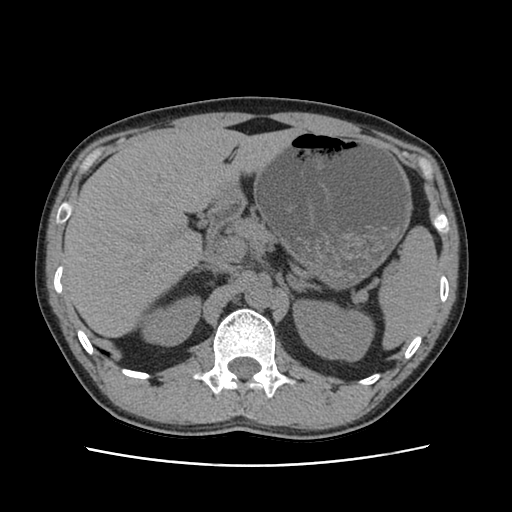 CT abdomen — axial plane, index 132 — soft-tissue window (W 400 / L 40) — 15 organs annotated in this scan (counted over the whole 3D scan, not this slice; an organ is boxed only where this slice passes through it)
<organs><organ name="spleen" x1="378" y1="226" x2="437" y2="349"/><organ name="inferior vena cava" x1="205" y1="254" x2="235" y2="273"/><organ name="left kidney" x1="293" y1="299" x2="374" y2="361"/><organ name="duodenum" x1="206" y1="201" x2="243" y2="242"/><organ name="right kidney" x1="141" y1="295" x2="200" y2="346"/><organ name="right adrenal gland" x1="196" y1="265" x2="218" y2="272"/><organ name="stomach" x1="216" y1="131" x2="412" y2="288"/><organ name="liver" x1="64" y1="128" x2="301" y2="337"/><organ name="pancreas" x1="227" y1="217" x2="273" y2="245"/><organ name="left adrenal gland" x1="287" y1="275" x2="320" y2="292"/><organ name="aorta" x1="244" y1="280" x2="273" y2="309"/></organs>